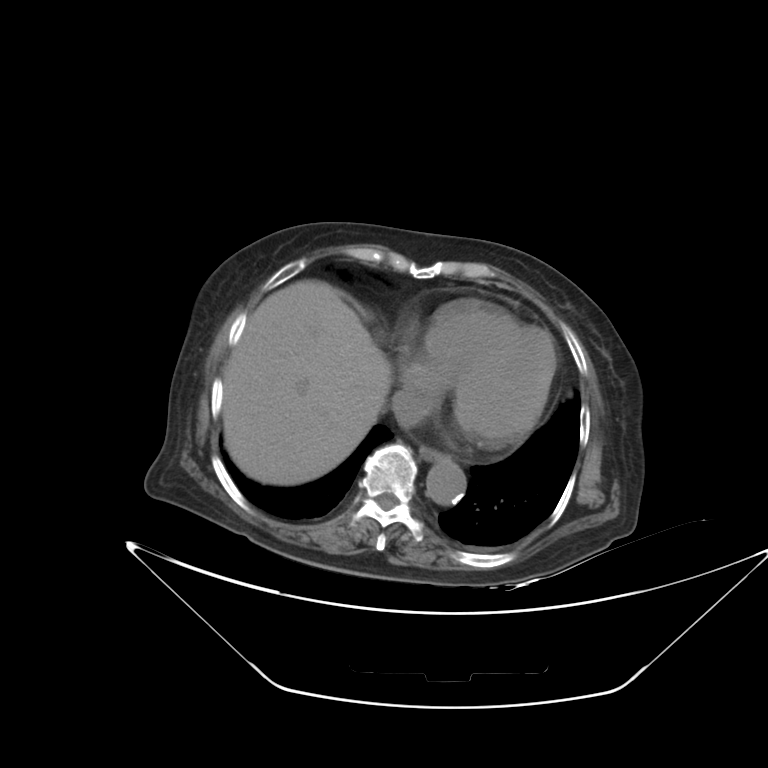

Computed tomography, abdomen — axial view — soft-tissue window
<organs><organ name="inferior vena cava" x1="391" y1="389" x2="431" y2="427"/><organ name="liver" x1="222" y1="280" x2="391" y2="485"/><organ name="esophagus" x1="419" y1="445" x2="444" y2="460"/><organ name="aorta" x1="426" y1="458" x2="466" y2="505"/></organs>